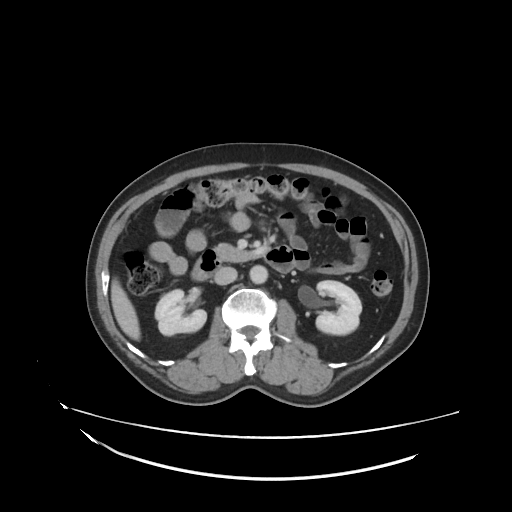

CT abdomen — axial view — abdomen soft-tissue window — 512x512 px — 66-year-old male patient
One row per box, in pixels: columns x1 and y1 give the top-left corner, x2 and y2 the bottom-right.
| organ | x1 | y1 | x2 | y2 |
|---|---|---|---|---|
| right kidney | 155 | 289 | 206 | 335 |
| left kidney | 315 | 279 | 362 | 334 |
| liver | 111 | 278 | 140 | 338 |
| aorta | 249 | 265 | 267 | 283 |
| inferior vena cava | 214 | 267 | 237 | 285 |
| pancreas | 216 | 243 | 254 | 262 |
| duodenum | 189 | 244 | 295 | 281 |